Abdominal MRI. Coronal slice 28/144
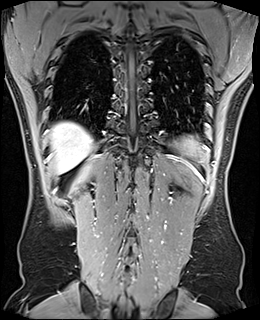 Organ boxes in pixel coordinates; each row gives the top-left (x1, y1) and bottom-right (x2, y2) corners.
| organ | x1 | y1 | x2 | y2 |
|---|---|---|---|---|
| spleen | 180 | 135 | 203 | 156 |
| liver | 51 | 122 | 92 | 173 |